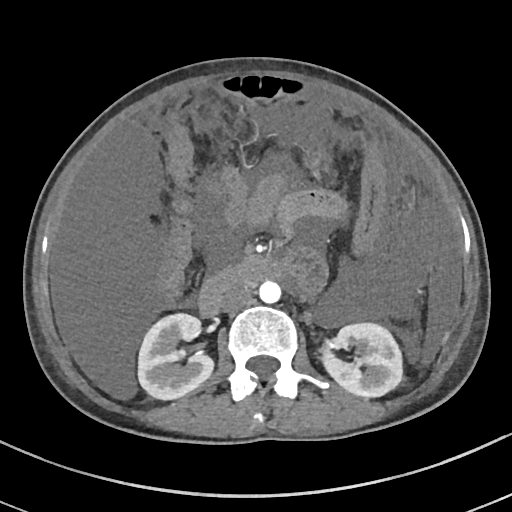 Abdominal CT; Axial slice 141/237; 512x512 px; SOMATOM Force scanner
Box edges are left/top/right/bottom in pixels.
left kidney: left=321, top=323, right=402, bottom=397
aorta: left=259, top=281, right=281, bottom=303
right kidney: left=138, top=313, right=213, bottom=399
duodenum: left=198, top=258, right=285, bottom=315
inferior vena cava: left=220, top=284, right=253, bottom=312
stomach: left=308, top=147, right=326, bottom=166